Abdominal CT; this slice is in the lower chest, just above the liver — Axial slice 247/345
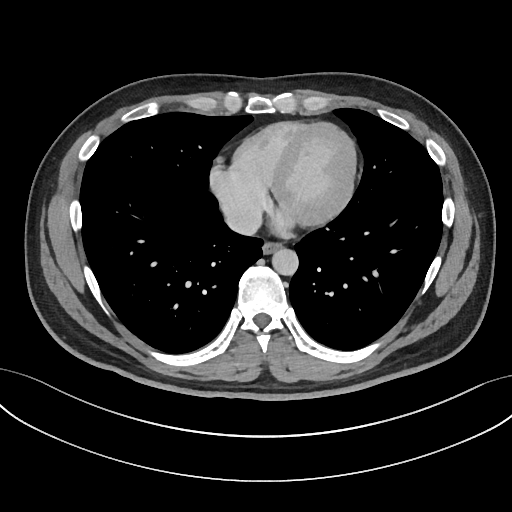 Of the structures in the chest, this dataset labels only the esophagus, the aorta and the inferior vena cava; the heart and lungs have no label.
Boxes: x1 y1 x2 y2 (pixel coords, space-separated).
esophagus: 262 242 281 253
aorta: 272 248 298 275
inferior vena cava: 225 208 261 235